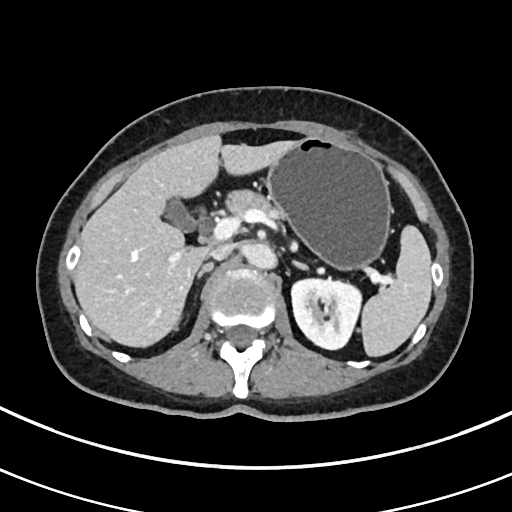

CT, abdomen/pelvis; axial view; soft-tissue window
Bounding boxes in pixels, one row per box: x1, y1 is the top-left corner and x2, y2 the bottom-right.
| organ | x1 | y1 | x2 | y2 |
|---|---|---|---|---|
| aorta | 245 | 243 | 275 | 268 |
| left kidney | 291 | 278 | 361 | 349 |
| spleen | 361 | 225 | 432 | 356 |
| liver | 73 | 134 | 296 | 347 |
| gall bladder | 163 | 199 | 195 | 230 |
| pancreas | 225 | 189 | 283 | 217 |
| inferior vena cava | 208 | 245 | 230 | 260 |
| right adrenal gland | 196 | 262 | 213 | 278 |
| stomach | 266 | 137 | 391 | 269 |
| left adrenal gland | 293 | 261 | 307 | 269 |